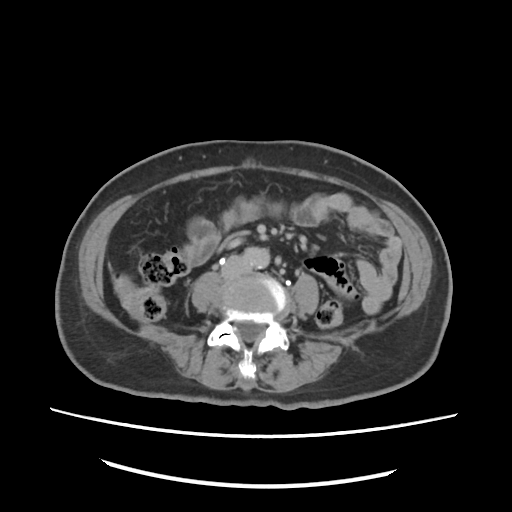 CT, abdomen/pelvis · Axial slice 47/89 · soft-tissue window · scan has 15 labeled organs (counted over the whole 3D scan, not this slice; an organ is boxed only where this slice passes through it)
{"organs":{"aorta":[245,246,268,267],"inferior vena cava":[220,255,249,279]}}